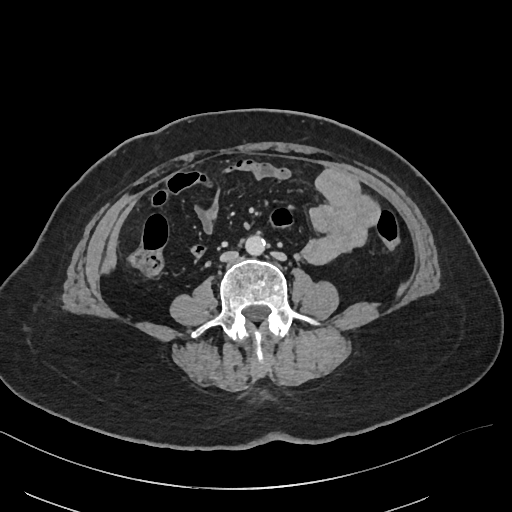

Computed tomography, abdomen; axial plane, index 117
<organs><organ name="aorta" x1="245" y1="235" x2="265" y2="255"/><organ name="inferior vena cava" x1="220" y1="250" x2="238" y2="261"/></organs>